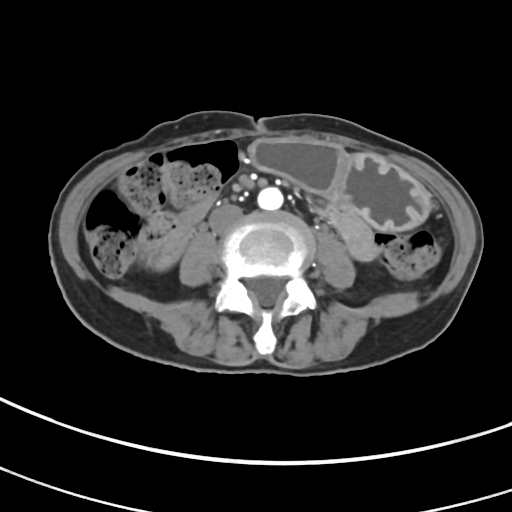 CT abdomen · axial plane, index 42 · soft-tissue window (W 400 / L 40) · 512x512 px
Box edges are left/top/right/bottom in pixels.
Organ bounding boxes:
- stomach: left=250, top=138, right=430, bottom=230
- aorta: left=257, top=186, right=283, bottom=210
- inferior vena cava: left=209, top=204, right=244, bottom=233